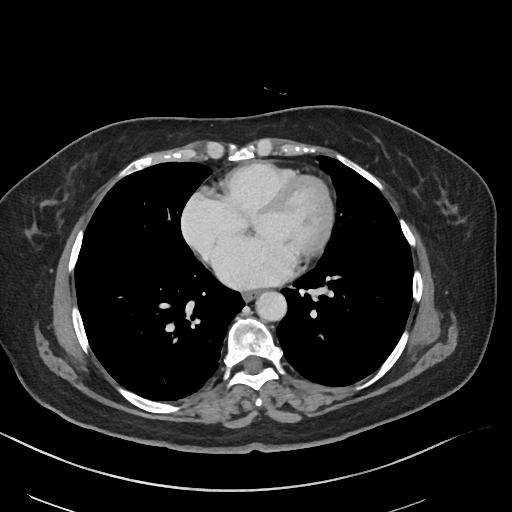

Lower-chest slice from an abdominal CT, just above the liver and spleen — Axial slice 231/244 — soft-tissue window — 512x512 px
No part of the heart or lungs is labeled in this dataset, so neither has a box here.
Boxes are (x1, y1, x2, y2) in pixels.
esophagus: (243, 290, 259, 300)
aorta: (255, 291, 286, 321)